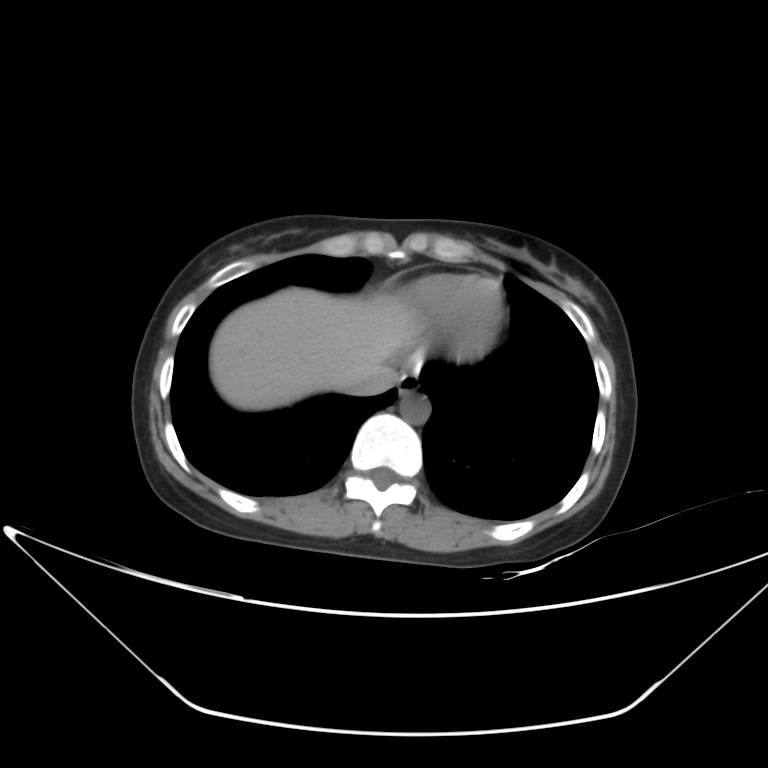

Abdominal CT; axial view; acquired on Brilliance16
One row per box, in pixels: columns x1 and y1 give the top-left corner, x2 and y2 the bottom-right.
| organ | x1 | y1 | x2 | y2 |
|---|---|---|---|---|
| esophagus | 397 | 374 | 419 | 396 |
| liver | 211 | 287 | 420 | 410 |
| aorta | 400 | 394 | 430 | 423 |
| inferior vena cava | 342 | 368 | 396 | 394 |